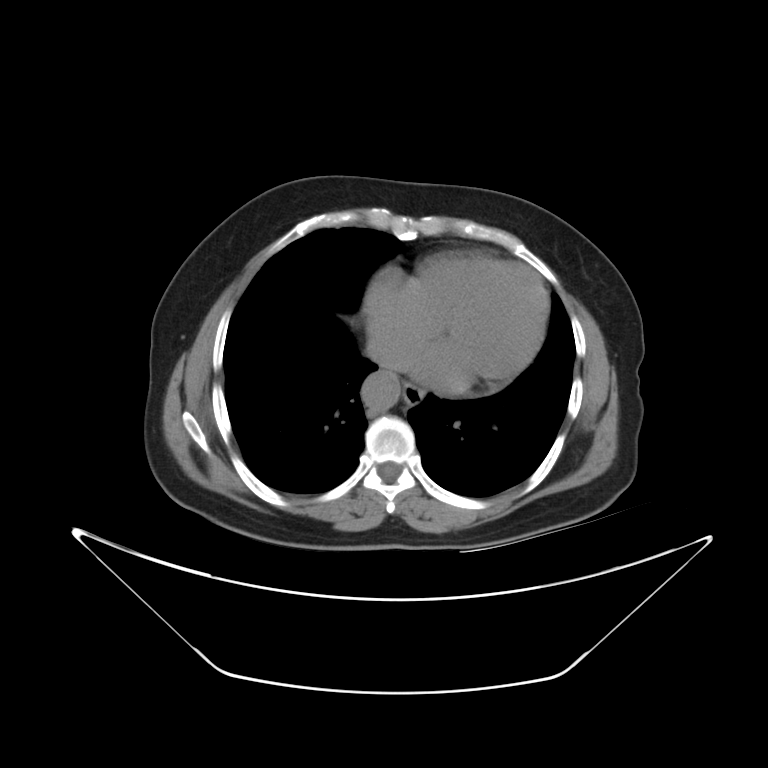
CT of the abdomen reaching into the lower chest, slice just above the liver and spleen — axial view — 768x768 px
The heart and lungs are never labeled in this dataset, so they have no box on this slice.
<organs><organ name="esophagus" x1="404" y1="384" x2="426" y2="408"/><organ name="aorta" x1="359" y1="367" x2="400" y2="410"/></organs>